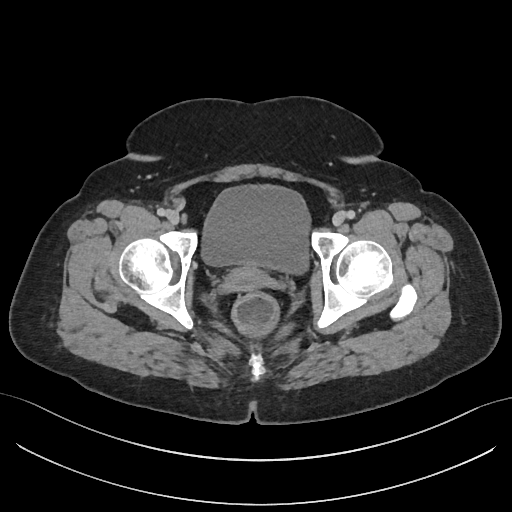

Abdominal CT — axial view — 512x512 px — acquired on SOMATOM Force — scan has 15 labeled organs (that count is for the whole scan; organs this slice misses have no box)
{"organs":{"bladder":[200,183,311,275],"prostate/uterus":[222,266,268,292]}}